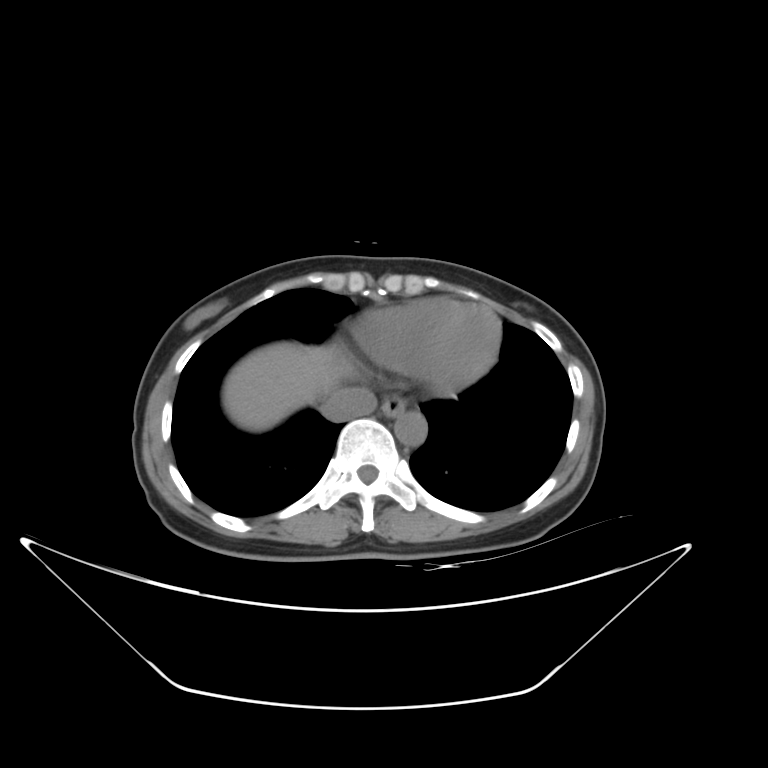 CT, abdomen/pelvis. axial view. scan has 15 labeled organs (a whole-scan count: organs this slice does not pass through have no box)
Bounding boxes as [x1, y1, x2, y2] in pixel coordinates.
Organ bounding boxes:
- esophagus: [380, 397, 404, 417]
- liver: [223, 341, 361, 429]
- aorta: [394, 412, 427, 446]
- inferior vena cava: [320, 387, 377, 421]